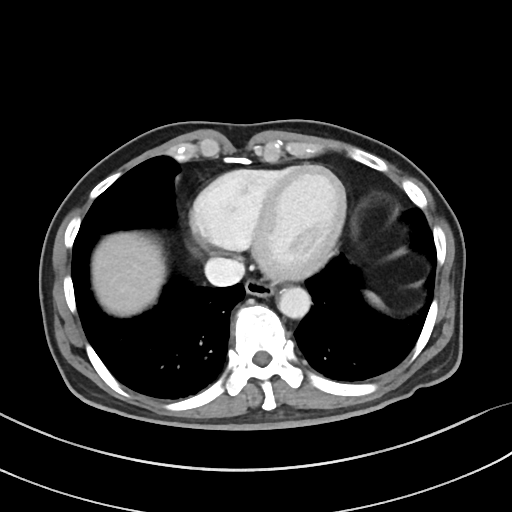
Abdominal CT · Axial slice 83/128 · 512x512 px · acquired on SOMATOM Force
Box edges are left/top/right/bottom in pixels. Labeled organs on this slice: spleen at left=367, top=292, right=381, bottom=305, esophagus at left=245, top=278, right=274, bottom=296, liver at left=92, top=231, right=166, bottom=316, aorta at left=278, top=287, right=310, bottom=318, inferior vena cava at left=205, top=257, right=244, bottom=286.